CT abdomen — axial view — abdomen soft-tissue window — 39-year-old male patient — scan has 15 labeled organs (counted over the whole 3D scan, not this slice; an organ is boxed only where this slice passes through it)
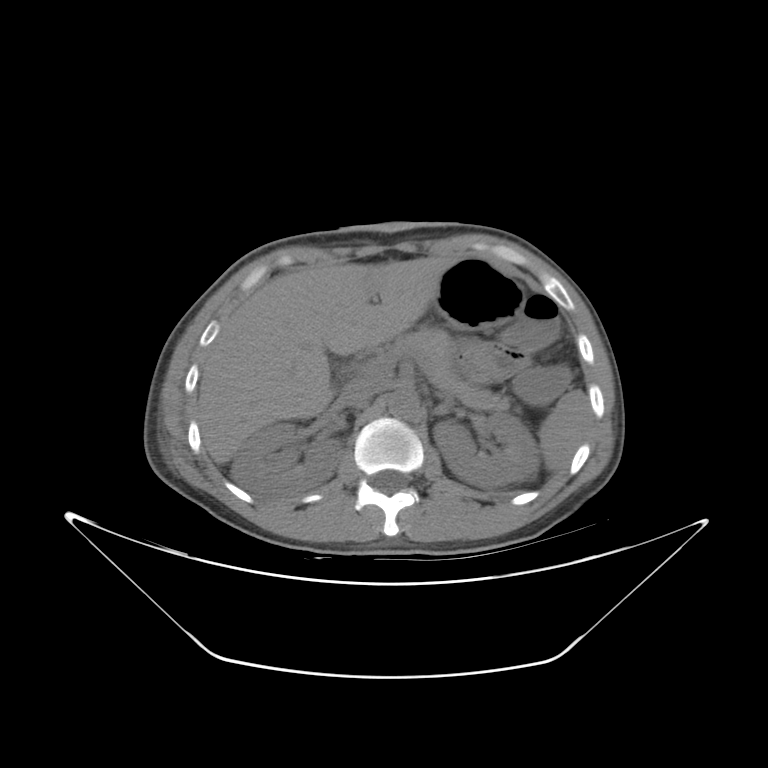
<organs><organ name="spleen" x1="538" y1="390" x2="589" y2="471"/><organ name="left kidney" x1="433" y1="413" x2="539" y2="488"/><organ name="liver" x1="197" y1="257" x2="456" y2="464"/><organ name="inferior vena cava" x1="338" y1="377" x2="382" y2="407"/><organ name="stomach" x1="433" y1="257" x2="524" y2="330"/><organ name="right kidney" x1="231" y1="422" x2="342" y2="499"/><organ name="pancreas" x1="393" y1="327" x2="511" y2="410"/><organ name="aorta" x1="388" y1="390" x2="419" y2="419"/><organ name="left adrenal gland" x1="434" y1="392" x2="444" y2="399"/></organs>